CT of the abdomen reaching into the lower chest, slice just above the liver and spleen · axial view · soft-tissue window, W/L 400/40 · acquired on SOMATOM Force
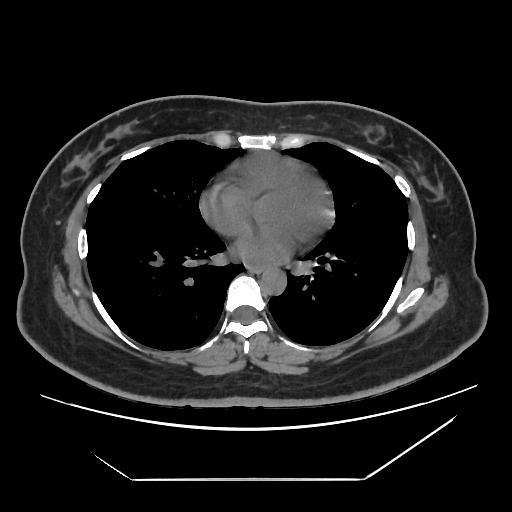 Of the structures in the chest, this dataset labels only the esophagus, the aorta and the inferior vena cava; the heart and lungs have no label.
<organs><organ name="esophagus" x1="248" y1="266" x2="261" y2="273"/><organ name="aorta" x1="260" y1="269" x2="286" y2="294"/></organs>